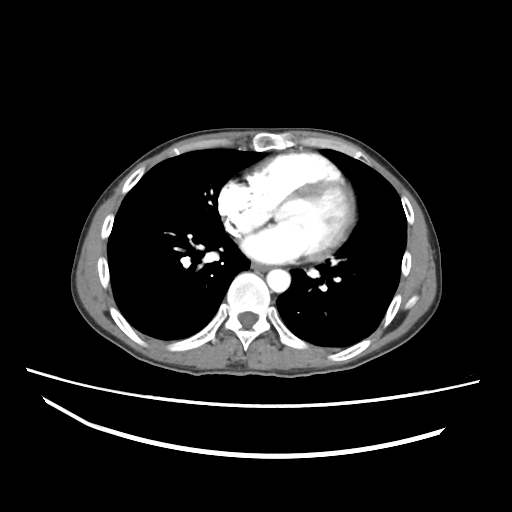
Lower-chest slice from an abdominal CT, just above the liver and spleen · axial view · 512x512 px · 40-year-old male patient
The heart and lungs are never labeled in this dataset, so they have no box on this slice. Bounding boxes as [x1, y1, x2, y2] in pixel coordinates. 2 labeled organs on this slice — esophagus at [251, 262, 268, 271]; aorta at [266, 269, 290, 292].